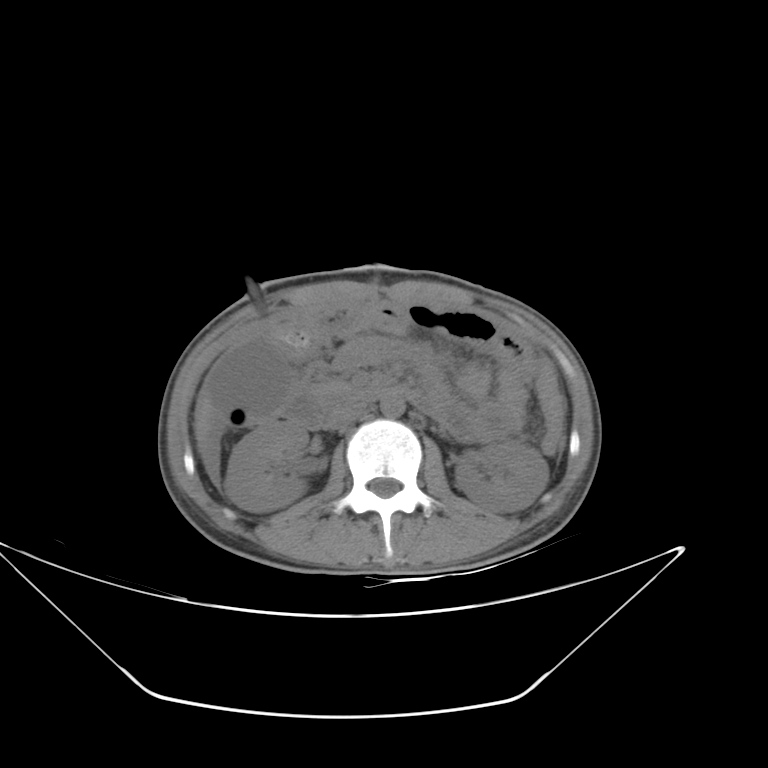 Computed tomography, abdomen — axial view — soft-tissue window — 768x768 px — 24-year-old male patient — Brilliance16 scanner
<organs><organ name="right kidney" x1="224" y1="420" x2="309" y2="512"/><organ name="left kidney" x1="455" y1="440" x2="548" y2="512"/><organ name="liver" x1="194" y1="389" x2="212" y2="448"/><organ name="aorta" x1="380" y1="393" x2="404" y2="417"/><organ name="inferior vena cava" x1="325" y1="400" x2="366" y2="429"/><organ name="pancreas" x1="318" y1="382" x2="346" y2="393"/><organ name="duodenum" x1="282" y1="380" x2="391" y2="429"/></organs>